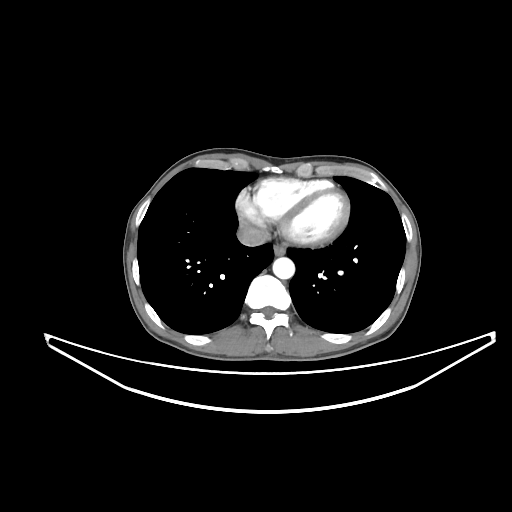

CT of the abdomen reaching into the lower chest, slice just above the liver and spleen · axial view · 512x512 px
Of the structures in the chest, this dataset labels only the esophagus, the aorta and the inferior vena cava; the heart and lungs have no label.
{"organs":{"inferior vena cava":[237,226,266,246],"aorta":[272,257,294,278],"esophagus":[273,245,285,255]}}